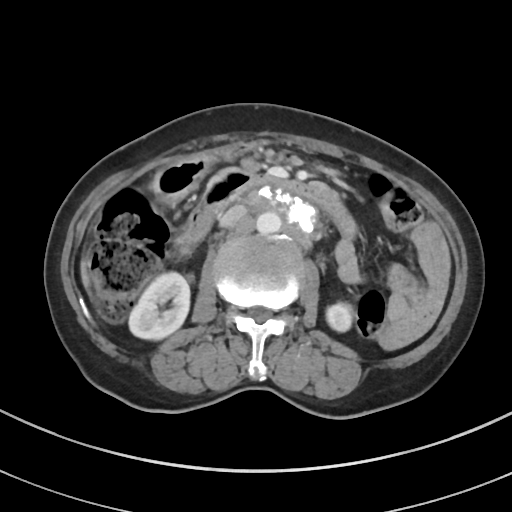
Abdominal CT · axial plane, index 51 · 15 organs annotated in this scan (counted over the whole 3D scan, not this slice; an organ is boxed only where this slice passes through it)
Bounding boxes as [x1, y1, x2, y2] in pixel coordinates.
Organ bounding boxes:
- right kidney: [129, 272, 189, 339]
- left kidney: [326, 303, 352, 331]
- stomach: [151, 140, 269, 204]
- aorta: [256, 211, 281, 234]
- liver: [81, 261, 88, 285]
- inferior vena cava: [219, 205, 245, 227]
- duodenum: [176, 169, 355, 252]